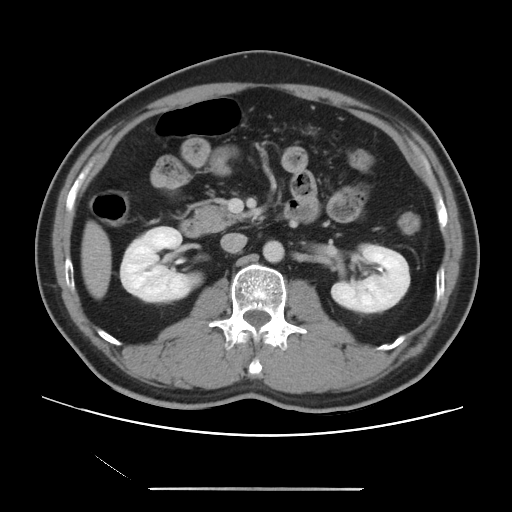
Abdominal CT · axial view · soft-tissue window (W 400 / L 40) · SOMATOM Force scanner
{"organs":{"pancreas":[194,204,254,231],"aorta":[263,240,284,262],"duodenum":[180,202,299,237],"liver":[81,220,111,299],"left kidney":[331,244,409,312],"inferior vena cava":[220,233,247,253],"right kidney":[120,226,201,301]}}